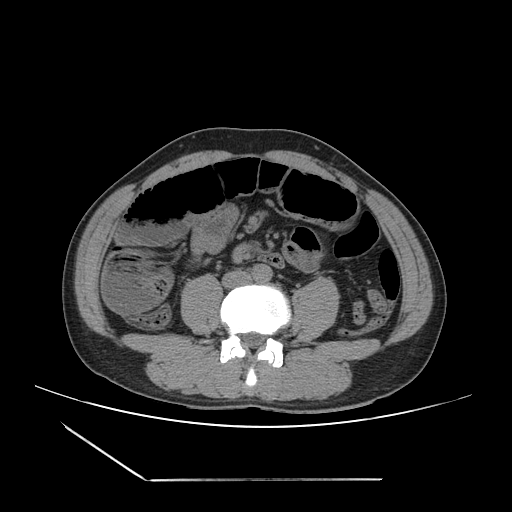

Computed tomography, abdomen · Axial slice 88/173
<organs><organ name="aorta" x1="251" y1="264" x2="272" y2="282"/><organ name="inferior vena cava" x1="222" y1="269" x2="250" y2="288"/></organs>